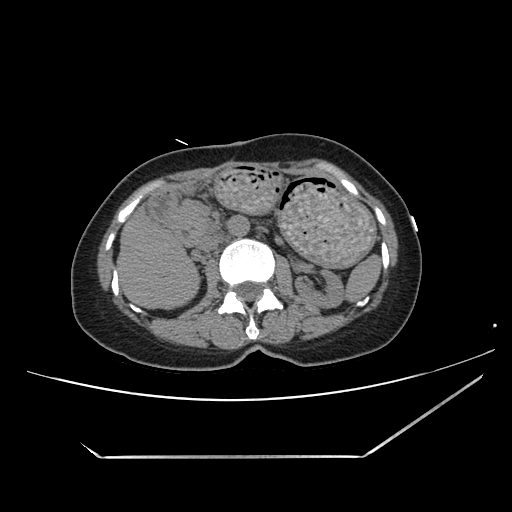

Computed tomography, abdomen. axial view. soft-tissue window (W 400 / L 40). SOMATOM Force scanner
Each box given as x1,y1,x2,y2. Labeled organs on this slice: spleen at x1=345, y1=254, x2=381, y2=302, left kidney at x1=295, y1=269, x2=344, y2=307, liver at x1=117, y1=207, x2=199, y2=309, stomach at x1=215, y1=167, x2=373, y2=266, aorta at x1=227, y1=215, x2=249, y2=236, inferior vena cava at x1=197, y1=234, x2=220, y2=251, pancreas at x1=170, y1=199, x2=214, y2=244, duodenum at x1=147, y1=190, x2=193, y2=246.